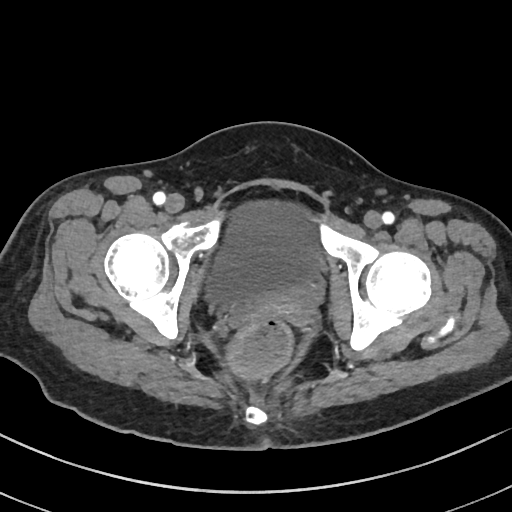

Abdominal CT. axial plane, index 16. soft-tissue window (W 400 / L 40)
{"organs":{"bladder":[204,202,318,308]}}